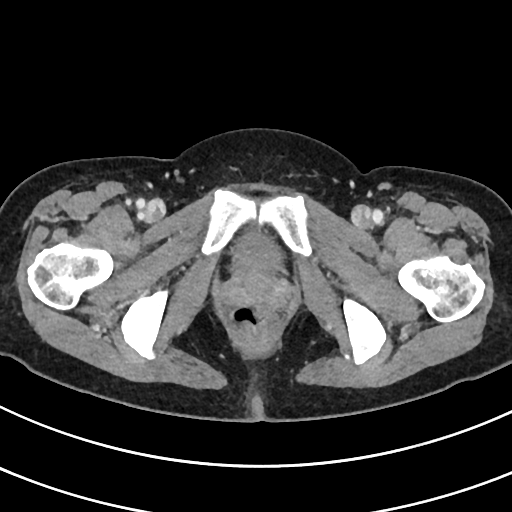

Abdominal CT — axial view — W/L 400/40 HU — acquired on SOMATOM Force
Coordinates as <box>x1,y1,x2,y2</box> in pixels. Labeled organs on this slice: bladder at <box>234,234,281,271</box>.